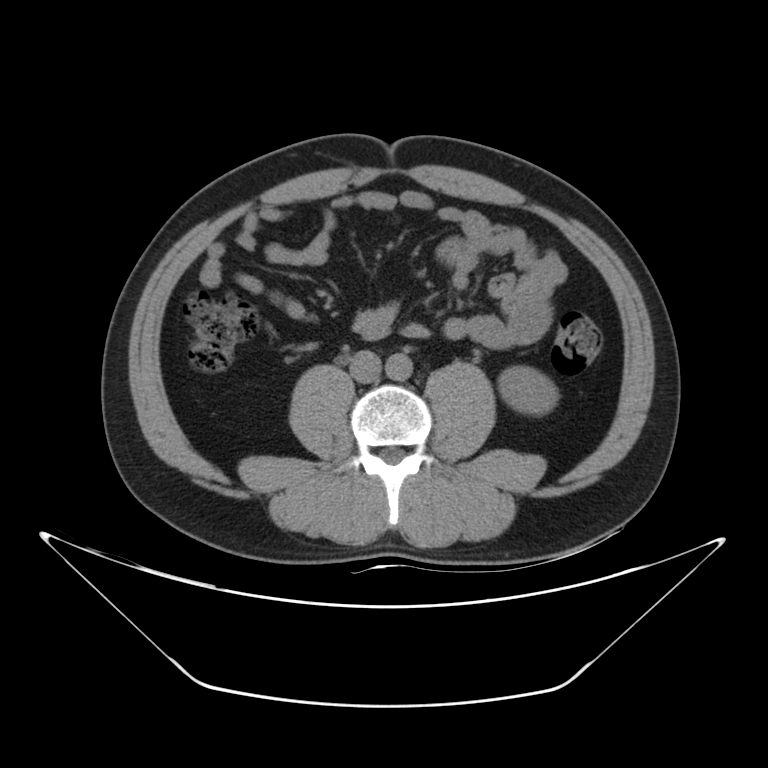

CT abdomen · axial plane, index 57 · soft-tissue window
Each box given as x1,y1,x2,y2.
left kidney: x1=498, y1=367, x2=557, y2=415
aorta: x1=385, y1=352, x2=412, y2=380
inferior vena cava: x1=349, y1=350, x2=380, y2=382